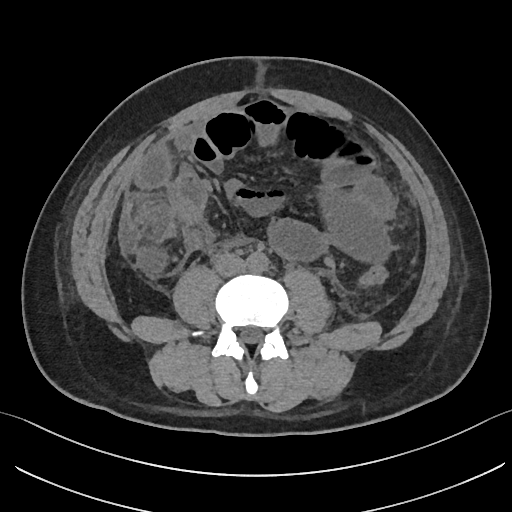
CT abdomen. axial view
{"organs":{"aorta":[247,252,268,272],"inferior vena cava":[214,254,246,277]}}